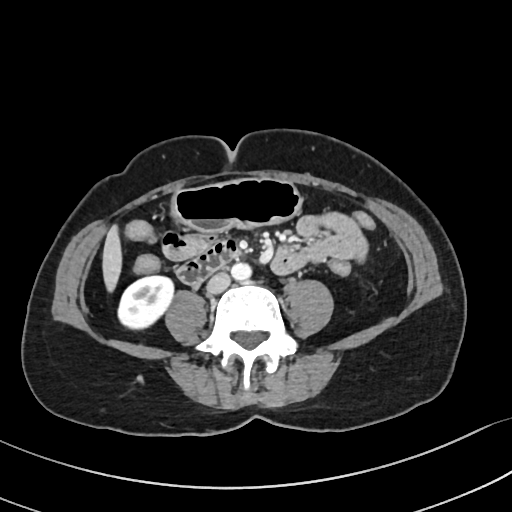
Computed tomography, abdomen; Axial slice 99/175; abdomen soft-tissue window; 512x512 px
{"organs":{"right kidney":[118,275,173,329],"liver":[102,223,122,291],"stomach":[170,179,301,234],"aorta":[231,263,251,280],"inferior vena cava":[206,272,230,294],"duodenum":[177,241,236,286]}}